Computed tomography, abdomen; axial view; W/L 400/40 HU; 54-year-old male patient; 15 organs annotated in this scan (a whole-scan count: organs this slice does not pass through have no box)
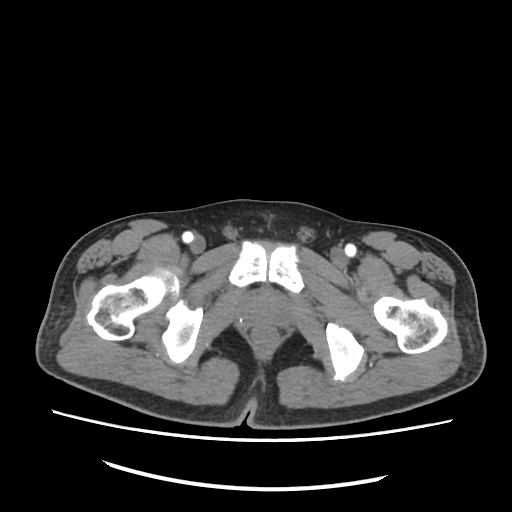
{"organs":{"prostate/uterus":[251,297,278,324]}}